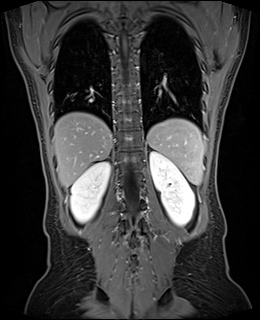

Abdominal MRI; Coronal slice 45/144; 260x320 px
<organs><organ name="right kidney" x1="70" y1="161" x2="110" y2="222"/><organ name="left kidney" x1="150" y1="152" x2="194" y2="225"/><organ name="spleen" x1="147" y1="118" x2="204" y2="184"/><organ name="liver" x1="53" y1="112" x2="112" y2="187"/></organs>